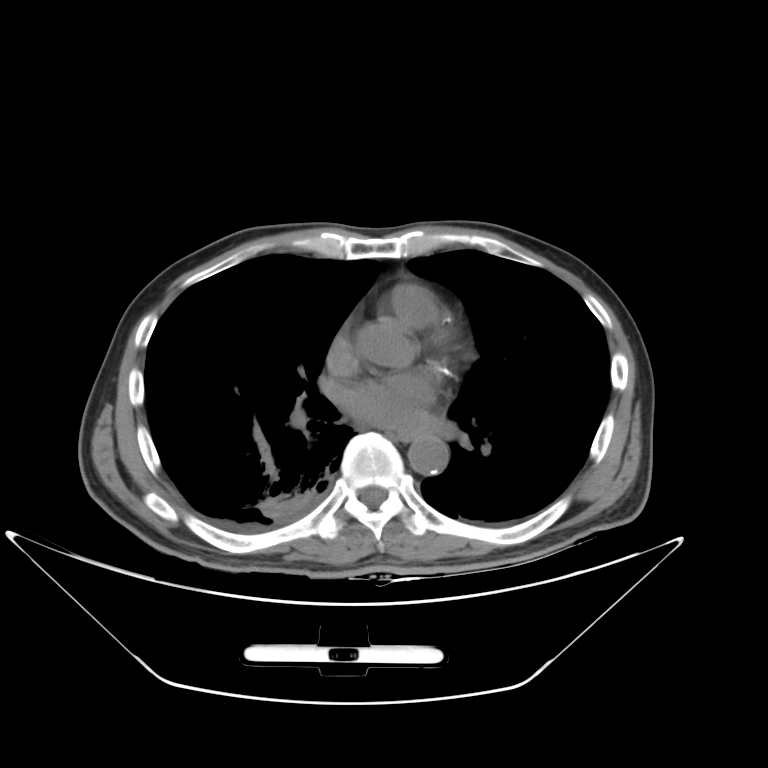 CT of the abdomen reaching into the lower chest, slice just above the liver and spleen · axial view · soft-tissue window, W/L 400/40 · 768x768 px · 65-year-old male patient · Brilliance16 scanner
The heart and lungs are never labeled in this dataset, so they have no box on this slice. Each box given as x1,y1,x2,y2. The annotated organs in this slice are: esophagus at x1=395, y1=432, x2=420, y2=440, aorta at x1=408, y1=436, x2=448, y2=475.